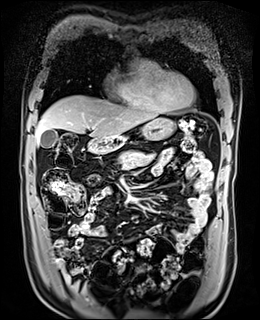

Magnetic resonance imaging, abdomen. coronal acquisition. 1st–99th percentile window. 260x320 px
Coordinates as <box>x1,y1,x2,y2</box> in pixels.
stomach: <box>107,118,175,142</box>
liver: <box>35,95,158,143</box>
pancreas: <box>117,150,155,169</box>
duodenum: <box>86,138,124,154</box>
gall bladder: <box>40,129,58,148</box>